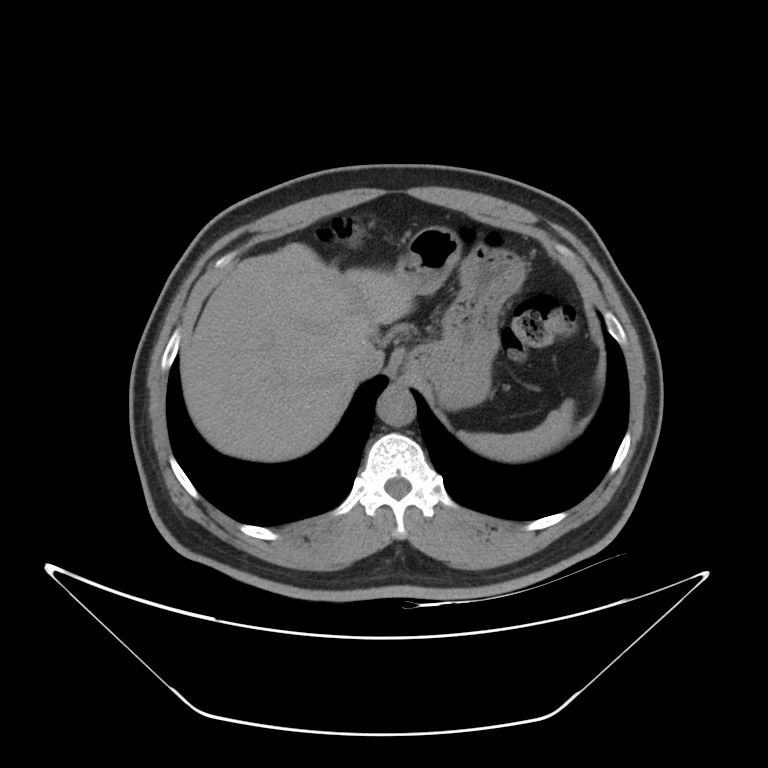
CT, abdomen/pelvis — axial plane, index 74 — 768x768 px — 15 organs annotated in this scan (that count is for the whole scan; organs this slice misses have no box)
<organs><organ name="stomach" x1="393" y1="226" x2="525" y2="409"/><organ name="spleen" x1="460" y1="399" x2="574" y2="462"/><organ name="liver" x1="182" y1="242" x2="413" y2="462"/><organ name="aorta" x1="375" y1="385" x2="415" y2="427"/><organ name="inferior vena cava" x1="353" y1="345" x2="383" y2="379"/></organs>